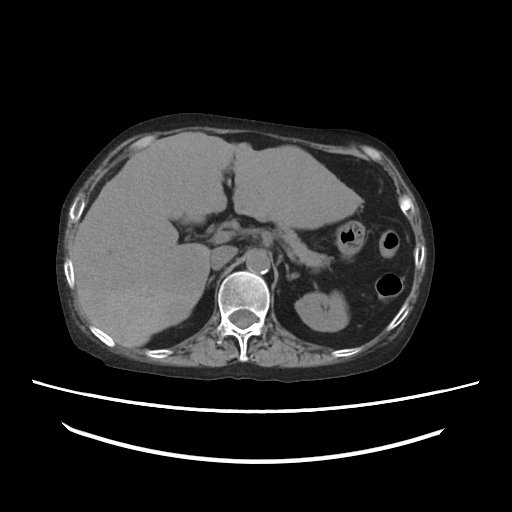
CT, abdomen/pelvis — axial view — soft-tissue window (W 400 / L 40) — 61-year-old female patient — scan has 15 labeled organs (counted over the whole 3D scan, not this slice; an organ is boxed only where this slice passes through it)
Boxes: x1 y1 x2 y2 (pixel coords, space-separated).
left kidney: 295 292 348 331
liver: 71 132 362 347
stomach: 335 221 364 255
aorta: 246 250 270 273
inferior vena cava: 210 245 236 269
pancreas: 278 228 331 267
right adrenal gland: 207 275 214 284
left adrenal gland: 285 263 298 278